Computed tomography, abdomen. Axial slice 52/126. 62-year-old male patient
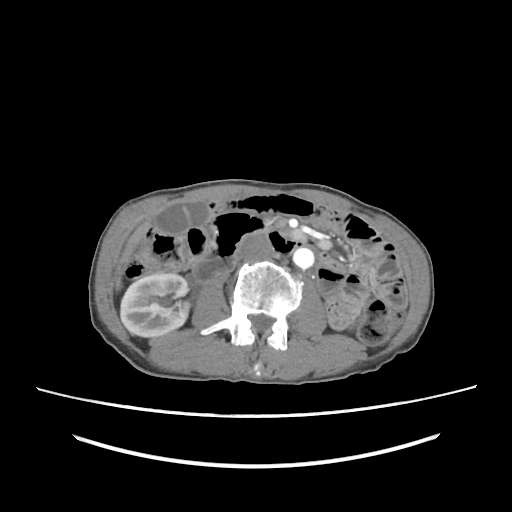
Each box given as x1,y1,x2,y2.
Organ bounding boxes:
- right kidney: x1=120, y1=272, x2=188, y2=337
- aorta: x1=293, y1=247, x2=314, y2=269
- gall bladder: x1=153, y1=200, x2=209, y2=235
- liver: x1=123, y1=221, x2=150, y2=261
- inferior vena cava: x1=237, y1=234, x2=274, y2=261